Chest-level CT slice, above the liver and spleen. axial view
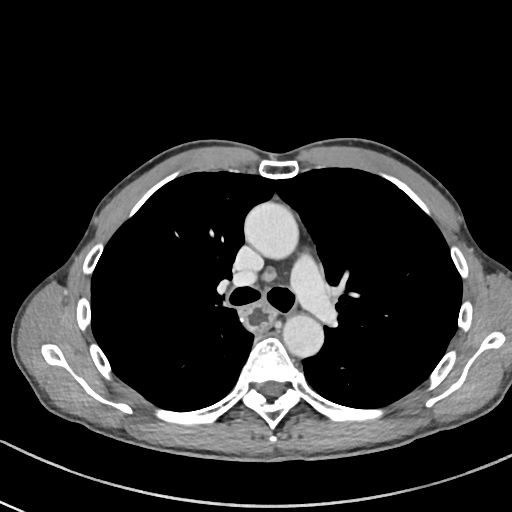 On a slice this high in the chest, this dataset labels only the esophagus and the aorta, and each is boxed only where it is labeled; the heart, lungs and other chest structures are not labeled.
One row per box, in pixels: columns x1 and y1 give the top-left corner, x2 and y2 the bottom-right.
| organ | x1 | y1 | x2 | y2 |
|---|---|---|---|---|
| esophagus | 242 | 303 | 274 | 332 |
| aorta | 245 | 203 | 299 | 261 |
| aorta | 282 | 313 | 324 | 356 |